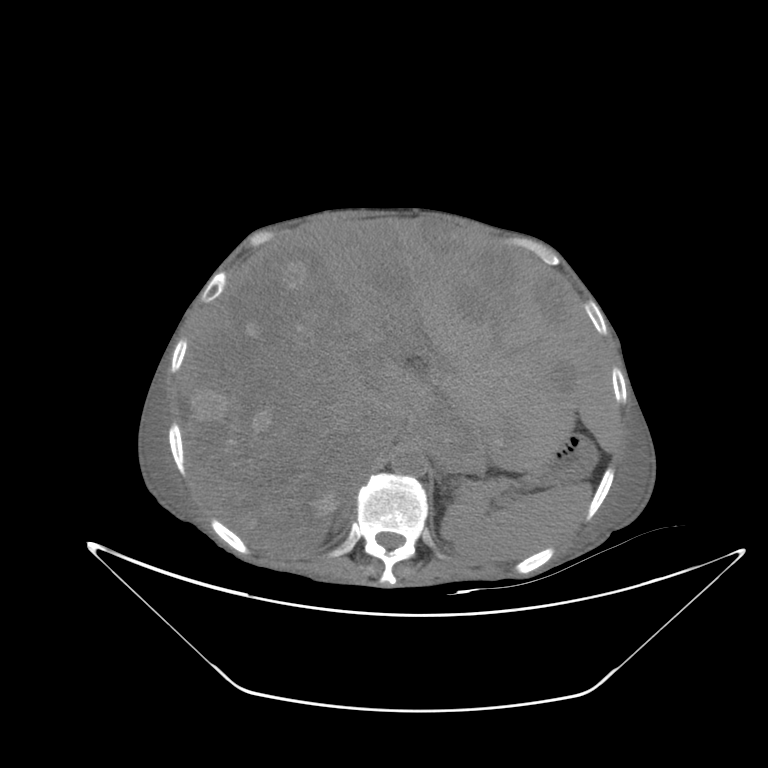 CT abdomen. axial view. 768x768 px
One row per box, in pixels: columns x1 and y1 give the top-left corner, x2 and y2 the bottom-right.
| organ | x1 | y1 | x2 | y2 |
|---|---|---|---|---|
| spleen | 440 | 483 | 591 | 560 |
| aorta | 391 | 449 | 427 | 476 |
| inferior vena cava | 380 | 415 | 407 | 453 |
| stomach | 520 | 435 | 595 | 487 |
| liver | 182 | 219 | 620 | 554 |
| right adrenal gland | 332 | 500 | 354 | 531 |